CT, abdomen/pelvis · Axial slice 84/87 · 55-year-old male patient · 15 organs annotated in this scan (a whole-scan count: organs this slice does not pass through have no box)
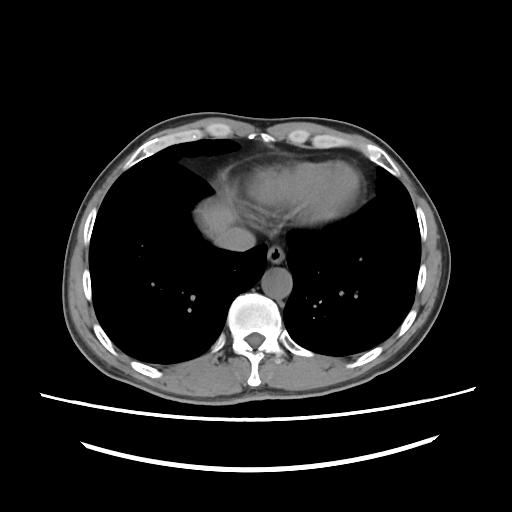
{"organs":{"liver":[197,200,236,237],"inferior vena cava":[218,227,256,251],"aorta":[262,267,292,299],"esophagus":[266,245,280,263]}}